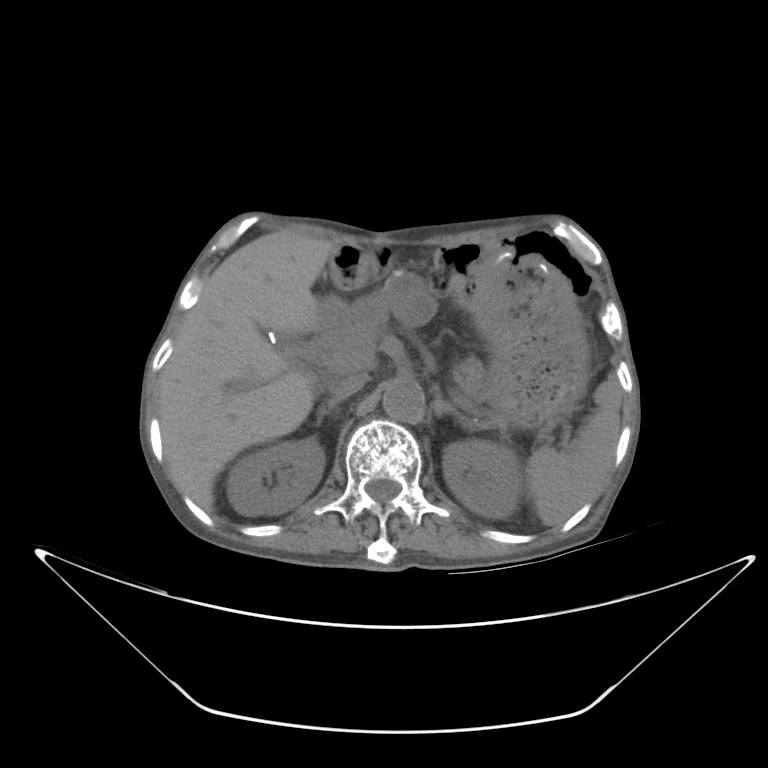 CT, abdomen/pelvis. Axial slice 71/95. W/L 400/40 HU. 768x768 px. 68-year-old male patient
Boxes: x1:y1:x2:y2 in pixels.
aorta: 383:379:426:424
inferior vena cava: 330:372:367:402
spleen: 525:377:622:524
left adrenal gland: 431:383:475:428
stomach: 473:252:589:427
left kidney: 442:442:523:517
liver: 160:230:330:509
right adrenal gland: 315:404:332:423
right kidney: 227:440:324:517
pancreas: 450:358:487:402